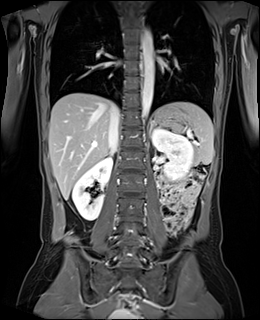
Abdominal MR; coronal plane, index 66; 260x320 px; acquired on Prisma
Coordinates as <box>x1,y1,x2,y2</box> in pixels. 8 labeled organs on this slice — left adrenal gland at <box>149,124,152,133</box>; stomach at <box>150,109,186,126</box>; right kidney at <box>72,156,112,220</box>; liver at <box>49,92,113,199</box>; spleen at <box>159,102,213,164</box>; left kidney at <box>152,127,193,180</box>; inferior vena cava at <box>108,104,120,153</box>; aorta at <box>142,28,153,117</box>.